Lower-chest slice from an abdominal CT, just above the liver and spleen. axial view. soft-tissue window (W 400 / L 40)
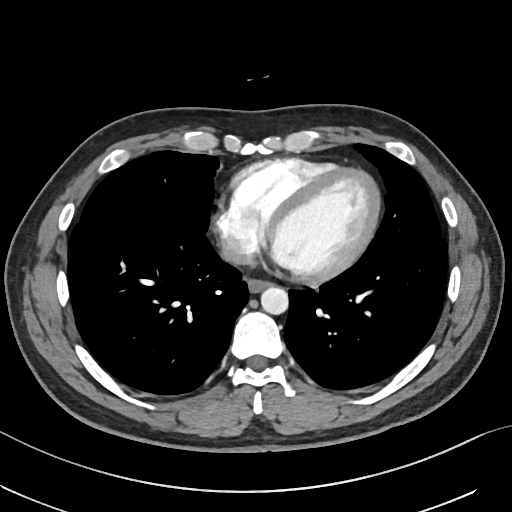 The heart and lungs are never labeled in this dataset, so they have no box on this slice.
{"organs":{"esophagus":[247,278,270,292],"aorta":[260,286,288,314],"inferior vena cava":[221,240,253,264]}}